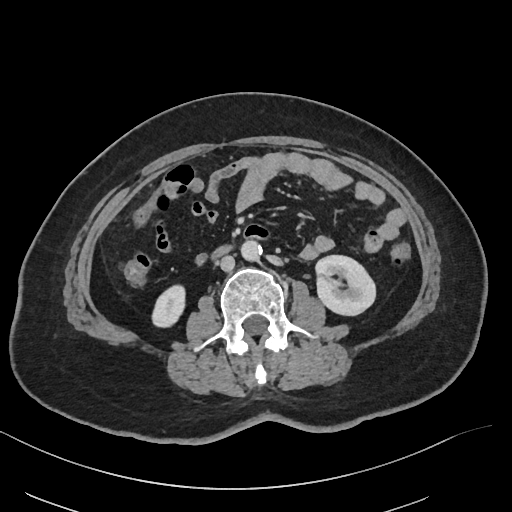
CT abdomen — axial view — abdomen soft-tissue window — 15 organs annotated in this scan (that count is for the whole scan; organs this slice misses have no box)
Coordinates as <box>x1,y1,x2,y2</box> in pixels.
right kidney: <box>153,285,184,328</box>
left kidney: <box>316,255,376,316</box>
aorta: <box>241,241,262,262</box>
inferior vena cava: <box>220,256,234,271</box>
duodenum: <box>211,243,234,262</box>